Abdominal CT; this slice is in the lower chest, just above the liver; axial view; soft-tissue window, W/L 400/40; 512x512 px; acquired on SOMATOM Force
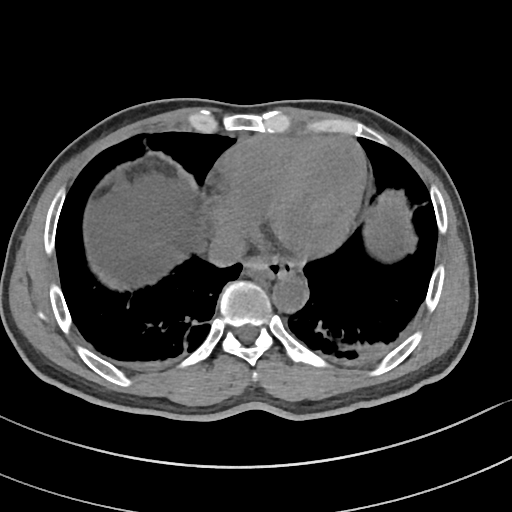 The heart and lungs are never labeled in this dataset, so they have no box on this slice.
<organs><organ name="esophagus" x1="244" y1="254" x2="297" y2="279"/><organ name="inferior vena cava" x1="205" y1="231" x2="246" y2="267"/><organ name="aorta" x1="273" y1="275" x2="307" y2="311"/></organs>